CT, abdomen/pelvis — axial plane, index 52 — 68-year-old male patient
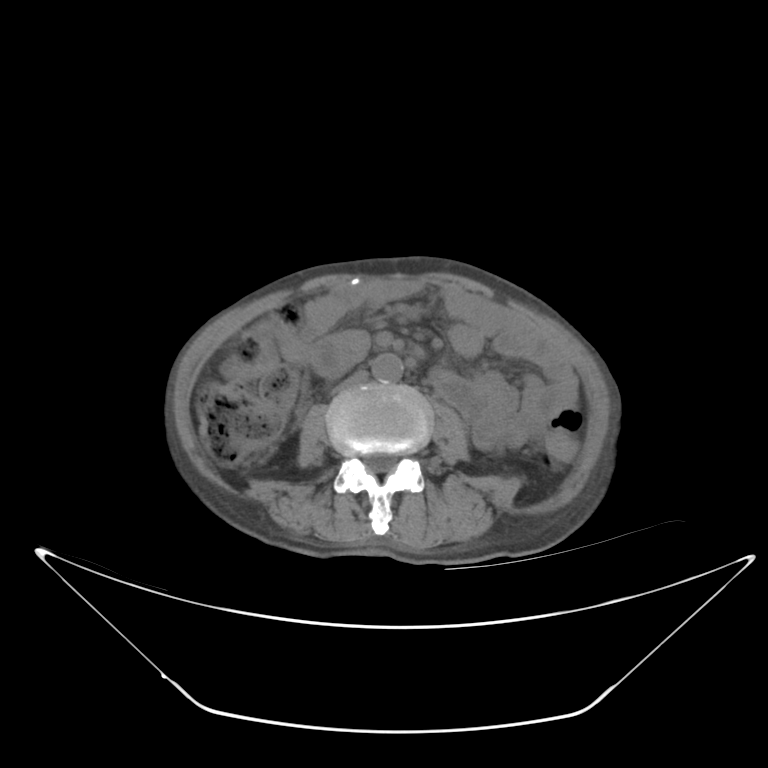 Organ boxes in pixel coordinates; each row gives the top-left (x1, y1) and bottom-right (x2, y2) corners.
| organ | x1 | y1 | x2 | y2 |
|---|---|---|---|---|
| aorta | 372 | 353 | 402 | 384 |
| inferior vena cava | 333 | 370 | 367 | 394 |